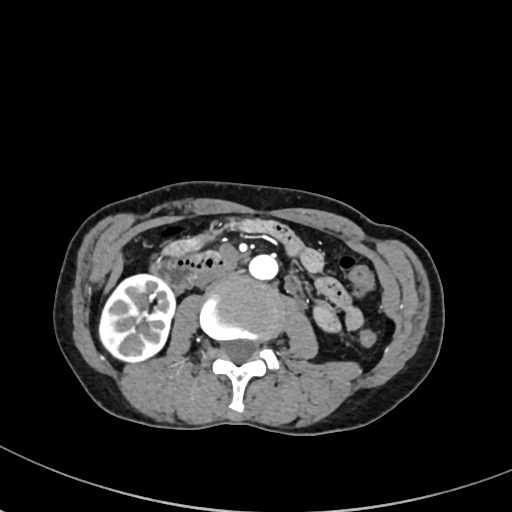

Abdominal CT; axial view; soft-tissue window; acquired on SOMATOM Force; scan has 15 labeled organs (a whole-scan count: organs this slice does not pass through have no box)
Boxes are (x1, y1, x2, y2) in pixels.
Organ bounding boxes:
- right kidney: (99, 274, 175, 361)
- liver: (104, 255, 122, 293)
- aorta: (249, 255, 278, 279)
- inferior vena cava: (195, 271, 225, 287)
- duodenum: (151, 252, 233, 290)